Abdominal CT — Axial slice 39/198 — soft-tissue window (W 400 / L 40) — 512x512 px
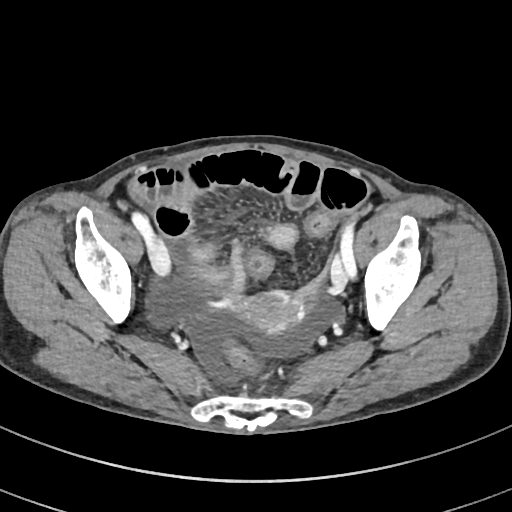
Boxes are (x1, y1, x2, y2) in pixels.
Organ bounding boxes:
- prostate/uterus: (240, 290, 303, 334)